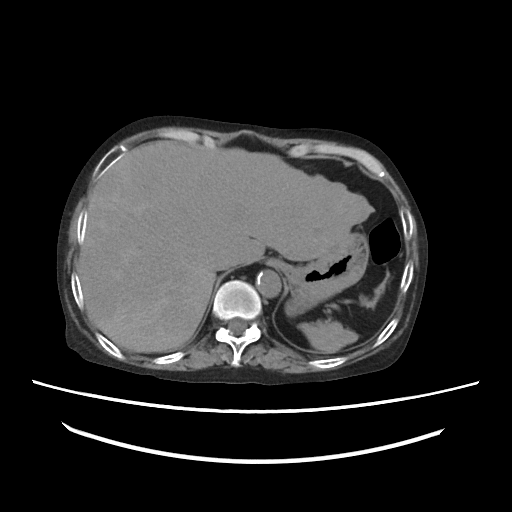

Abdominal CT · axial view · W/L 400/40 HU · 512x512 px
Coordinates as <box>x1,y1,x2,y2</box> in pixels.
Organ bounding boxes:
- inferior vena cava: <box>210,252,234,270</box>
- aorta: <box>256,270,281,297</box>
- spleen: <box>299,321,357,353</box>
- esophagus: <box>267,260,282,266</box>
- stomach: <box>274,233,369,315</box>
- liver: <box>78,140,373,352</box>